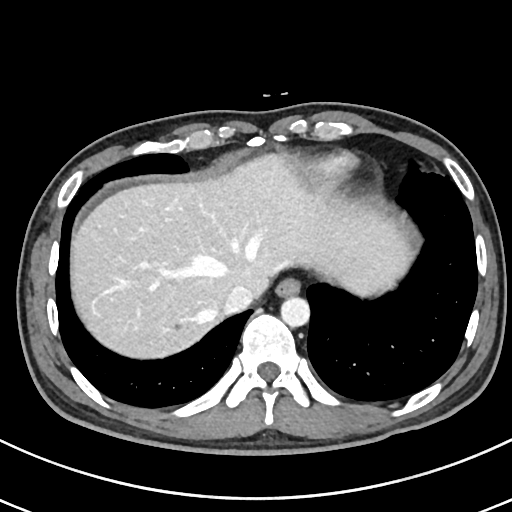
Computed tomography, abdomen. axial view. soft-tissue window (W 400 / L 40)
One row per box, in pixels: columns x1 and y1 give the top-left corner, x2 and y2 the bottom-right.
| organ | x1 | y1 | x2 | y2 |
|---|---|---|---|---|
| esophagus | 276 | 279 | 300 | 297 |
| liver | 73 | 154 | 408 | 356 |
| aorta | 281 | 296 | 310 | 326 |
| inferior vena cava | 222 | 285 | 255 | 313 |